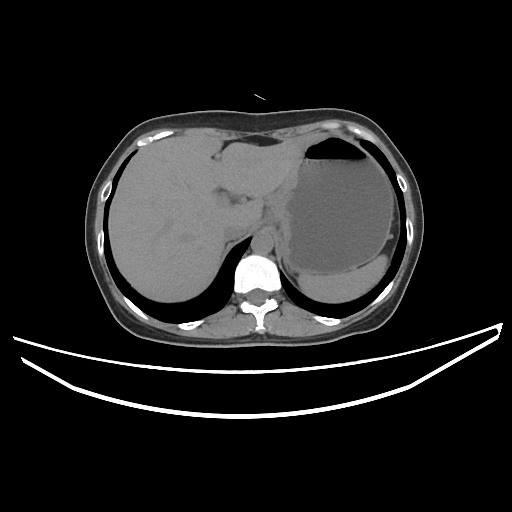
Computed tomography, abdomen — axial view — 50-year-old female patient — acquired on Aquilion ONE
Each box given as x1,y1,x2,y2.
aorta: x1=251, y1=230, x2=273, y2=254
spleen: x1=298, y1=255, x2=387, y2=302
liver: x1=109, y1=133, x2=324, y2=302
inferior vena cava: x1=222, y1=222, x2=249, y2=240
stomach: x1=267, y1=135, x2=393, y2=274